CT abdomen — Axial slice 137/204 — abdomen soft-tissue window — 512x512 px — SOMATOM Force scanner — 15 organs annotated in this scan (that count is for the whole scan; organs this slice misses have no box)
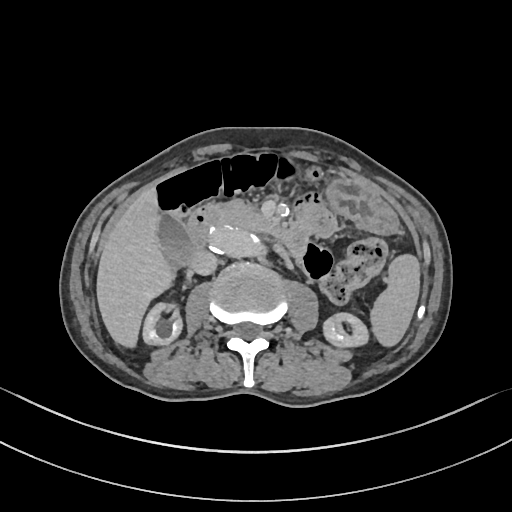 Boxes are (x1, y1, x2, y2) in pixels.
spleen: (371, 254, 419, 345)
right kidney: (142, 303, 180, 343)
left kidney: (324, 313, 367, 346)
gall bladder: (156, 213, 190, 265)
liver: (97, 187, 170, 346)
stomach: (329, 178, 396, 233)
aorta: (206, 225, 262, 256)
inferior vena cava: (190, 250, 216, 274)
pancreas: (214, 201, 274, 232)
duodenum: (187, 206, 308, 256)